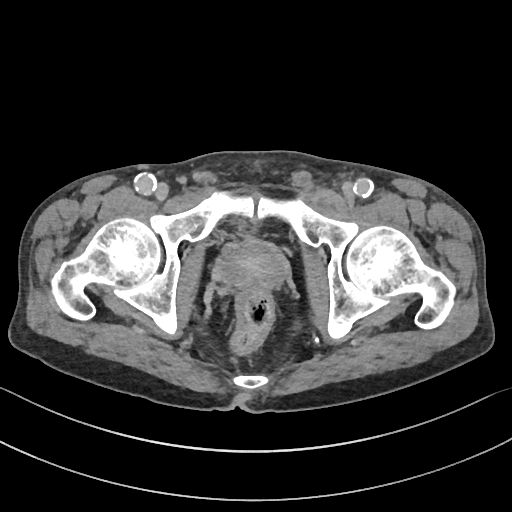
CT abdomen — axial view — scan has 15 labeled organs (counted over the whole 3D scan, not this slice; an organ is boxed only where this slice passes through it)
Each box given as x1,y1,x2,y2.
Organ bounding boxes:
- prostate/uterus: x1=220, y1=243, x2=284, y2=289